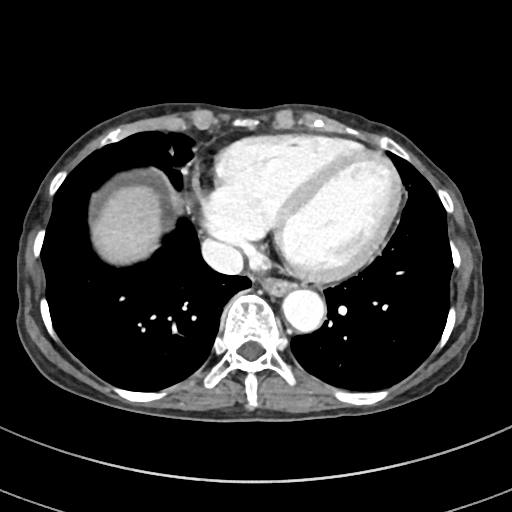

CT abdomen — axial view — 512x512 px
{"organs":{"esophagus":[255,273,297,295],"liver":[93,187,163,265],"aorta":[282,288,325,331],"inferior vena cava":[201,239,243,274]}}